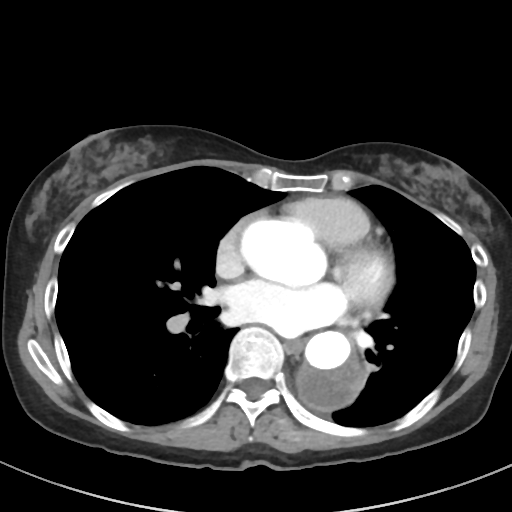

Chest-level slice from an abdominal CT that extends up into the chest · axial view · soft-tissue window, W/L 400/40 · scan has 15 labeled organs (counted over the whole 3D scan, not this slice; an organ is boxed only where this slice passes through it)
At this level of the chest this dataset labels only the esophagus and the aorta, and each is boxed only where it is labeled; the heart and lungs are never labeled. Box edges are left/top/right/bottom in pixels. 2 labeled organs on this slice — aorta at left=241, top=218, right=327, bottom=286; aorta at left=297, top=331, right=361, bottom=410; esophagus at left=285, top=339, right=303, bottom=353.